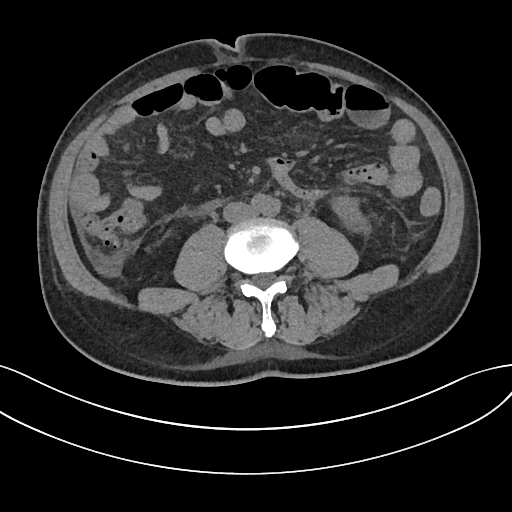

CT abdomen · axial plane, index 100 · abdomen soft-tissue window
Each box given as x1,y1,x2,y2.
left kidney: x1=334, y1=195, x2=369, y2=233
aorta: x1=253, y1=194, x2=280, y2=216
inferior vena cava: x1=223, y1=202, x2=254, y2=223
duodenum: x1=198, y1=201, x2=218, y2=211